Computed tomography, abdomen. axial view. SOMATOM Force scanner
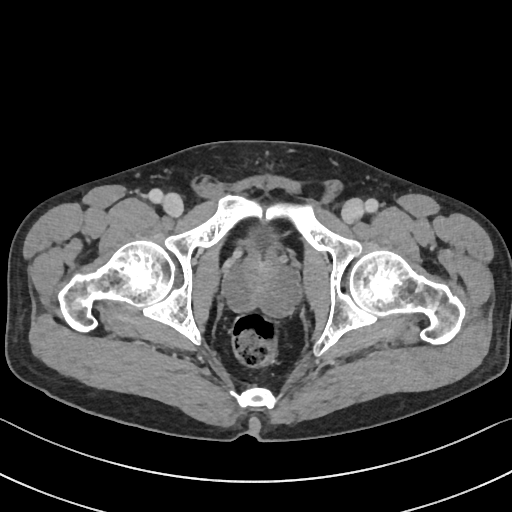 Each box given as x1,y1,x2,y2.
bladder: x1=245, y1=223, x2=280, y2=253
prostate/uterus: x1=226, y1=254, x2=297, y2=315